CT of the abdomen reaching into the lower chest, slice just above the liver and spleen · axial view · 768x768 px · Brilliance16 scanner
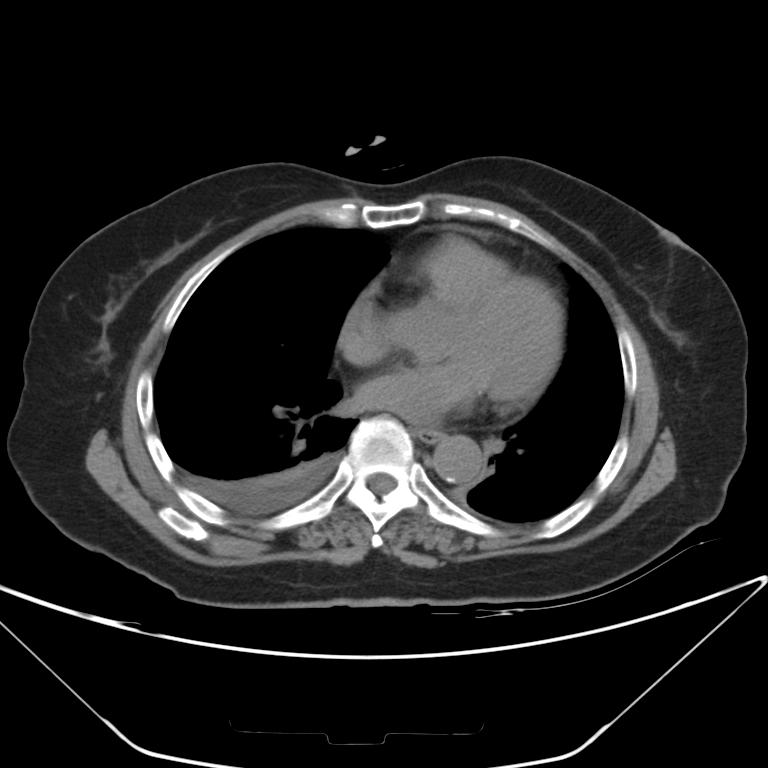 Of the structures in the chest, this dataset labels only the esophagus, the aorta and the inferior vena cava; the heart and lungs have no label.
<organs><organ name="aorta" x1="433" y1="435" x2="483" y2="483"/><organ name="esophagus" x1="417" y1="429" x2="440" y2="442"/></organs>